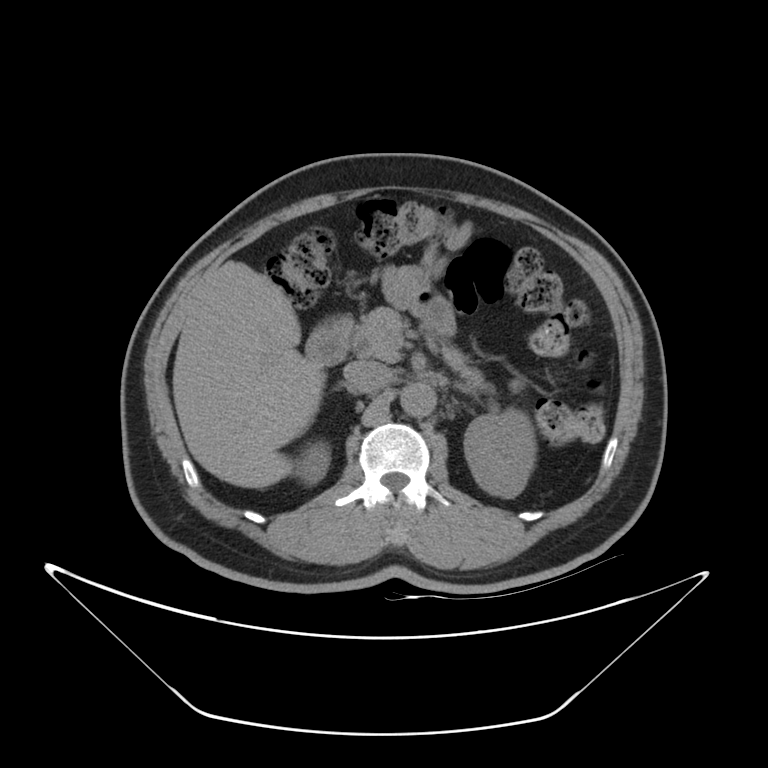

CT, abdomen/pelvis; axial plane, index 63; 768x768 px; 55-year-old male patient; scan has 15 labeled organs (that count is for the whole scan; organs this slice misses have no box)
Boxes: x1:y1:x2:y2 in pixels.
Organ bounding boxes:
- right kidney: 295:440:329:484
- left kidney: 464:408:536:498
- liver: 172:261:326:488
- aorta: 400:383:435:417
- inferior vena cava: 343:360:389:393
- pancreas: 350:307:495:395
- right adrenal gland: 334:382:348:389
- left adrenal gland: 455:384:457:385
- duodenum: 305:314:353:364